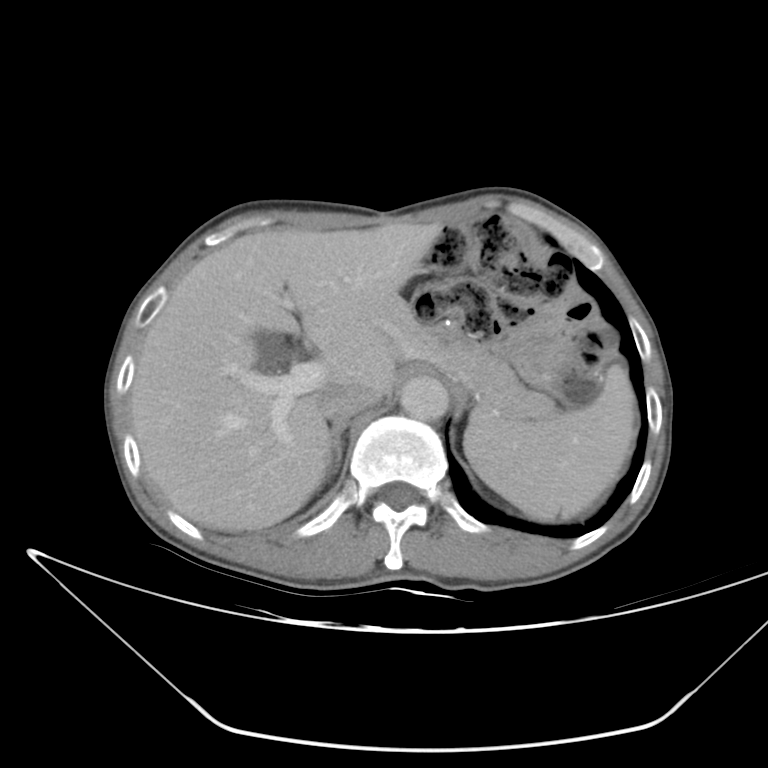

CT, abdomen/pelvis — axial view — 768x768 px — scan has 13 labeled organs (a whole-scan count: organs this slice does not pass through have no box)
Organ boxes in pixel coordinates; each row gives the top-left (x1, y1) and bottom-right (x2, y2) corners.
| organ | x1 | y1 | x2 | y2 |
|---|---|---|---|---|
| spleen | 463 | 364 | 636 | 520 |
| gall bladder | 253 | 329 | 299 | 372 |
| liver | 129 | 220 | 440 | 532 |
| aorta | 401 | 376 | 447 | 419 |
| inferior vena cava | 313 | 384 | 382 | 428 |
| pancreas | 370 | 293 | 561 | 417 |
| right adrenal gland | 332 | 419 | 349 | 475 |